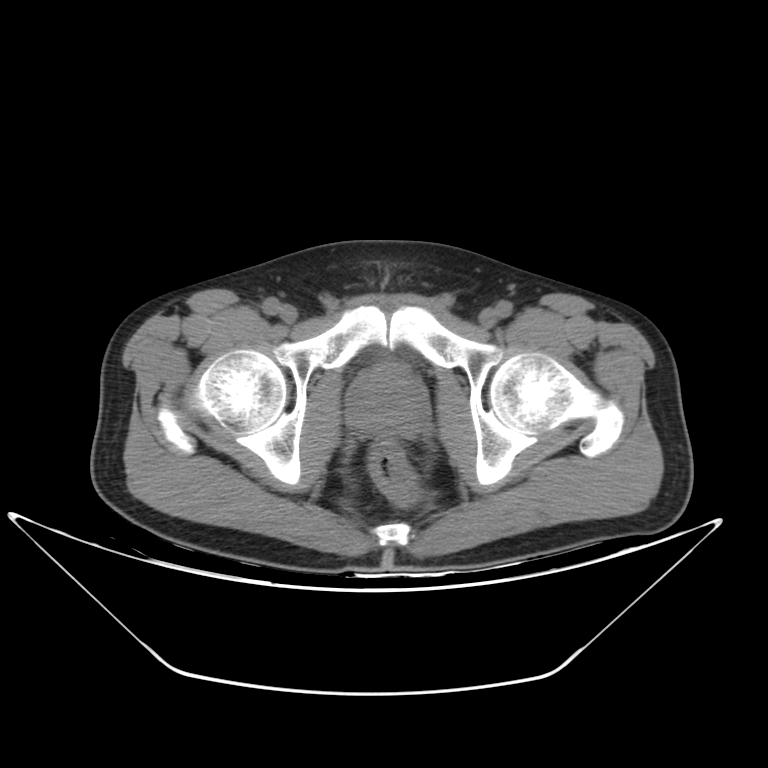

Computed tomography, abdomen. Axial slice 26/104. soft-tissue window. Brilliance16 scanner
{"organs":{"prostate/uterus":[345,363,428,436]}}